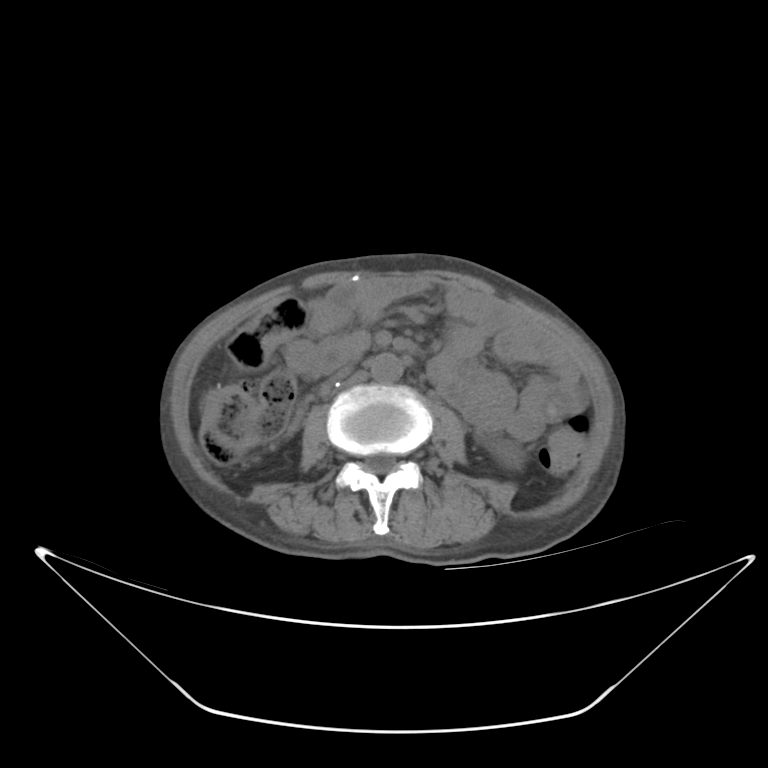 CT abdomen — axial view — W/L 400/40 HU — 768x768 px
<organs><organ name="left kidney" x1="489" y1="435" x2="523" y2="466"/><organ name="aorta" x1="370" y1="353" x2="402" y2="383"/><organ name="inferior vena cava" x1="334" y1="370" x2="367" y2="393"/></organs>